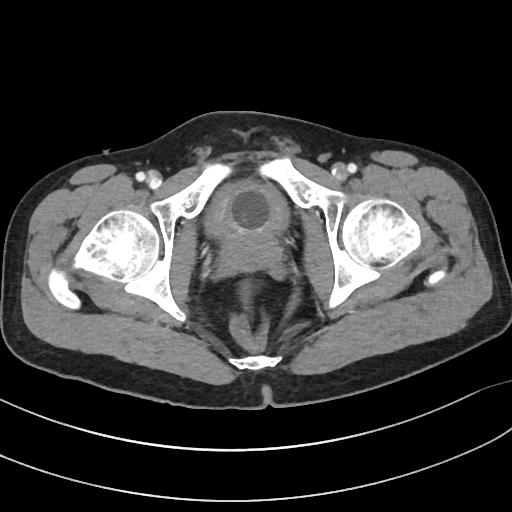
CT abdomen · Axial slice 20/251 · soft-tissue window · acquired on SOMATOM Force
{"organs":{"prostate/uterus":[222,232,281,269],"bladder":[208,181,287,236]}}